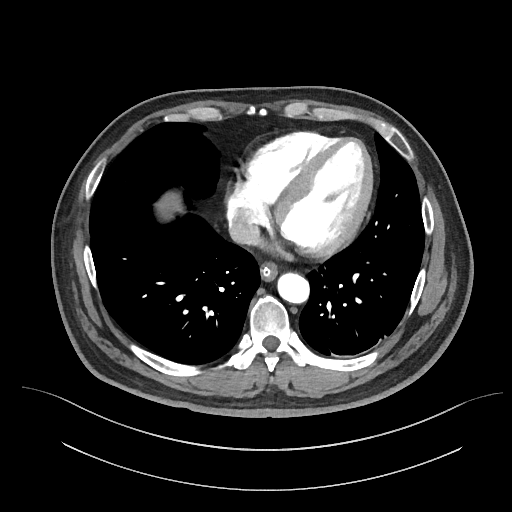 Abdominal CT. axial view. abdomen soft-tissue window. SOMATOM Force scanner
Box edges are left/top/right/bottom in pixels.
esophagus: left=260, top=264, right=277, bottom=282
inferior vena cava: left=228, top=217, right=259, bottom=244
aorta: left=278, top=274, right=310, bottom=304
liver: left=160, top=193, right=180, bottom=212